Abdominal CT · Axial slice 87/118 · W/L 400/40 HU · 512x512 px
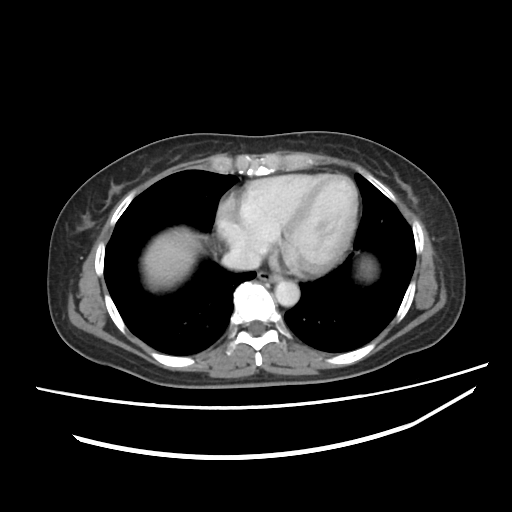
{"organs":{"esophagus":[258,271,282,282],"liver":[143,228,201,288],"stomach":[357,257,377,280],"aorta":[275,280,299,306],"inferior vena cava":[221,246,261,270]}}